Chest-level slice from an abdominal CT that extends up into the chest; Axial slice 233/276; soft-tissue window, W/L 400/40; 512x512 px
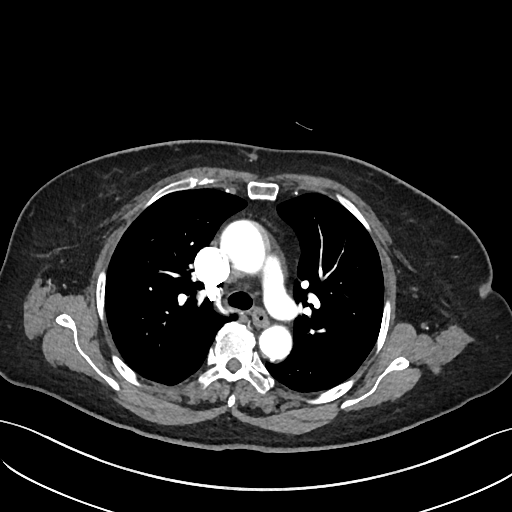
At this level of the chest no structure but the esophagus and the aorta has a label in this dataset, and those two are boxed only where they are labeled.
Boxes are (x1, y1, x2, y2) in pixels.
esophagus: (252, 308, 268, 327)
aorta: (220, 220, 265, 272)
aorta: (259, 325, 291, 360)